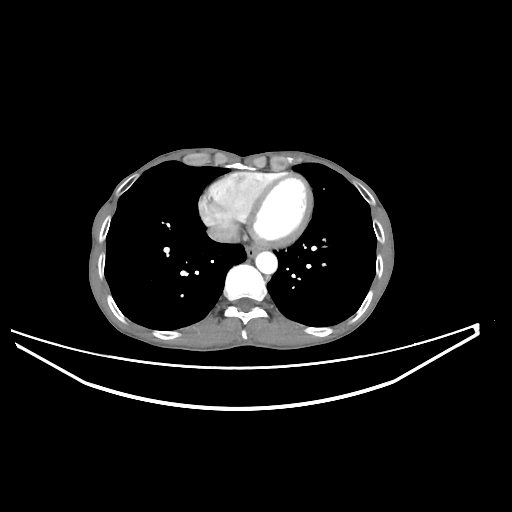

Abdominal CT; this slice is in the lower chest, just above the liver · Axial slice 86/131 · Aquilion ONE scanner · 15 organs annotated in this scan (a whole-scan count: organs this slice does not pass through have no box)
Of the structures in the chest, this dataset labels only the esophagus, the aorta and the inferior vena cava; the heart and lungs have no label.
{"organs":{"esophagus":[245,245,260,257],"aorta":[255,251,277,273],"inferior vena cava":[207,224,239,242]}}